CT abdomen; axial plane, index 208; abdomen soft-tissue window; 512x512 px; acquired on SOMATOM Force
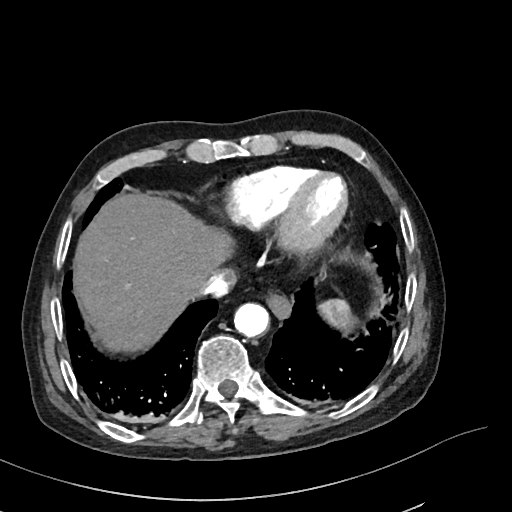 Bounding boxes as [x1, y1, x2, y2] in pixel coordinates.
Organ bounding boxes:
- spleen: [318, 299, 357, 332]
- esophagus: [266, 293, 290, 316]
- liver: [73, 193, 230, 352]
- aorta: [234, 303, 269, 337]
- inferior vena cava: [197, 269, 235, 297]